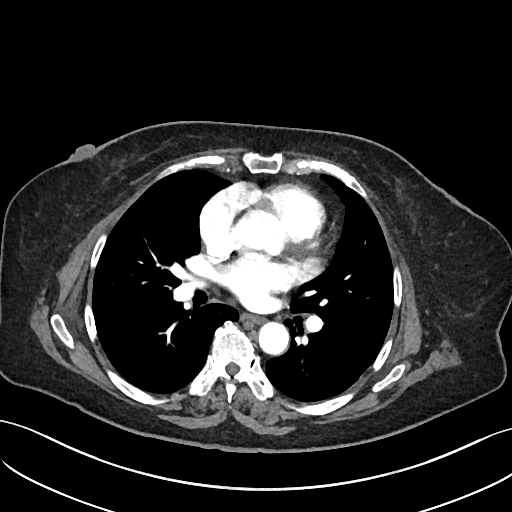
Chest-level slice from an abdominal CT that extends up into the chest — axial view — soft-tissue window — SOMATOM Force scanner
At this level of the chest this dataset labels only the esophagus and the aorta, and each is boxed only where it is labeled; the heart and lungs are never labeled.
<organs><organ name="esophagus" x1="242" y1="314" x2="264" y2="323"/><organ name="aorta" x1="258" y1="322" x2="288" y2="354"/></organs>